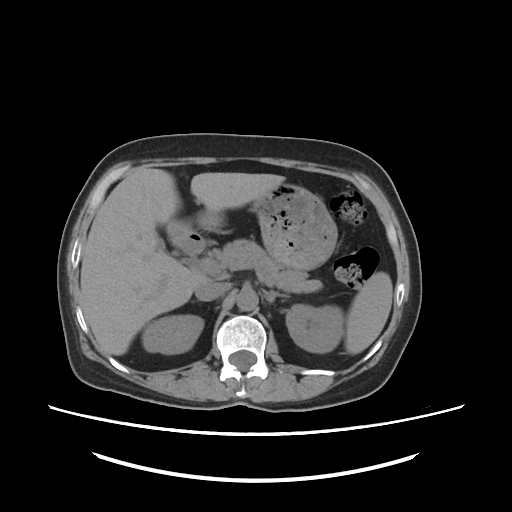 CT abdomen — Axial slice 68/85 — soft-tissue window (W 400 / L 40) — Aquilion ONE scanner — 15 organs annotated in this scan (a whole-scan count: organs this slice does not pass through have no box)
{"organs":{"spleen":[345,271,392,353],"right kidney":[144,315,203,353],"left kidney":[286,304,340,351],"gall bladder":[157,239,180,256],"liver":[80,167,285,355],"stomach":[166,183,337,270],"aorta":[236,288,258,310],"inferior vena cava":[195,284,230,300],"pancreas":[211,239,322,293],"right adrenal gland":[192,301,196,301],"left adrenal gland":[263,290,289,301]}}